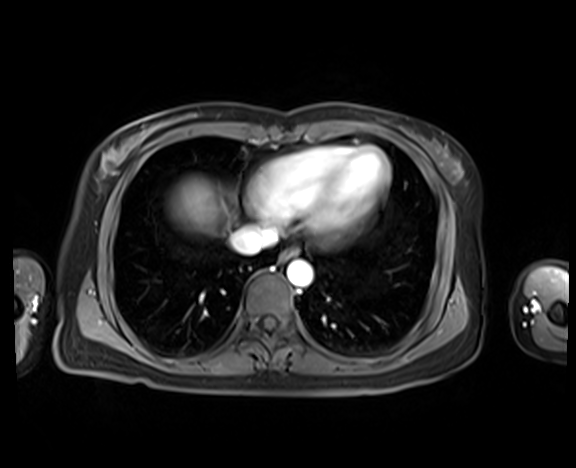 Magnetic resonance imaging, abdomen · axial plane, index 67
{"organs":{"liver":[170,176,221,233],"aorta":[287,261,313,286],"esophagus":[280,247,298,261],"inferior vena cava":[230,224,278,254]}}